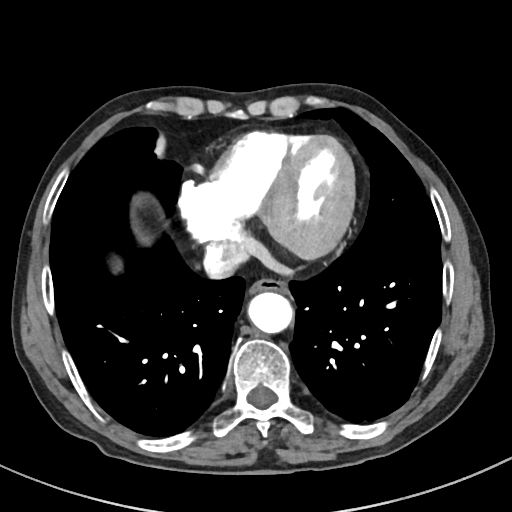 Lower-chest slice from an abdominal CT, just above the liver and spleen · axial view · soft-tissue window · scan has 15 labeled organs (that count is for the whole scan; organs this slice misses have no box)
The heart and lungs are never labeled in this dataset, so they have no box on this slice.
Coordinates as <box>x1,y1,x2,y2</box> in pixels.
Organ bounding boxes:
- esophagus: <box>247,280,288,297</box>
- aorta: <box>249,293,293,333</box>
- inferior vena cava: <box>205,241,247,276</box>